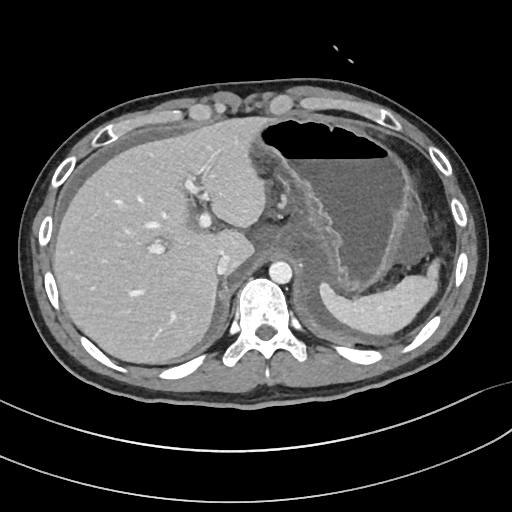

CT, abdomen/pelvis — Axial slice 199/251
<organs><organ name="spleen" x1="320" y1="258" x2="439" y2="333"/><organ name="liver" x1="53" y1="117" x2="272" y2="363"/><organ name="stomach" x1="256" y1="117" x2="411" y2="295"/><organ name="aorta" x1="269" y1="261" x2="292" y2="283"/><organ name="inferior vena cava" x1="216" y1="253" x2="231" y2="275"/></organs>